CT, abdomen/pelvis — axial view
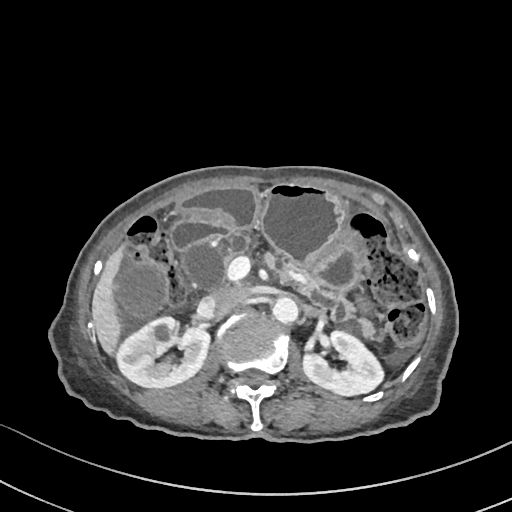

{"organs":{"left kidney":[302,330,383,396],"pancreas":[223,234,376,338],"aorta":[269,297,297,323],"right kidney":[118,317,211,388],"stomach":[177,183,363,293],"liver":[92,248,125,358],"inferior vena cava":[211,287,248,318],"duodenum":[172,217,230,249],"gall bladder":[119,264,165,315]}}